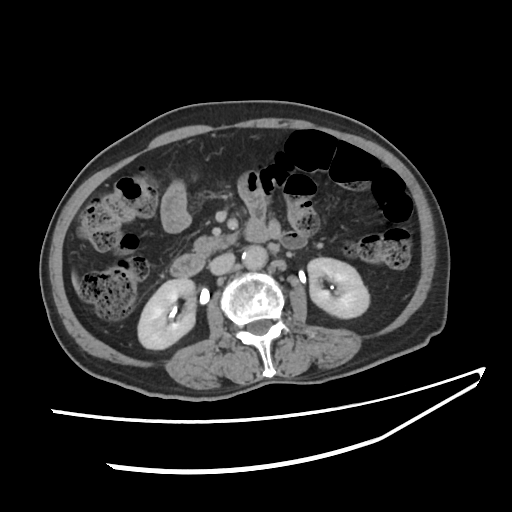

CT abdomen; axial plane, index 60; 83-year-old male patient
{"organs":{"right kidney":[138,278,196,348],"duodenum":[169,216,267,276],"aorta":[241,246,267,268],"inferior vena cava":[211,254,234,274],"left kidney":[308,257,369,318],"pancreas":[195,231,241,250],"liver":[72,275,75,287]}}